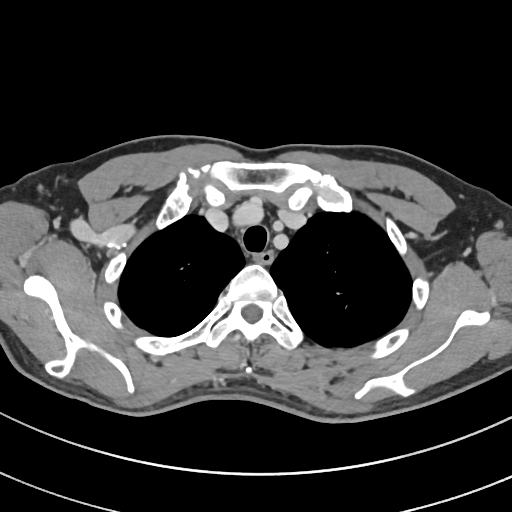

Abdominal CT reaching into the chest; this slice is in the chest; Axial slice 268/298; soft-tissue window, W/L 400/40
On a slice this high in the chest, this dataset labels only the esophagus and the aorta, and each is boxed only where it is labeled; the heart, lungs and other chest structures are not labeled.
Coordinates as <box>x1,y1,x2,y2</box> in pixels.
Organ bounding boxes:
- esophagus: <box>255,251,274,264</box>